Computed tomography, abdomen · axial view · abdomen soft-tissue window
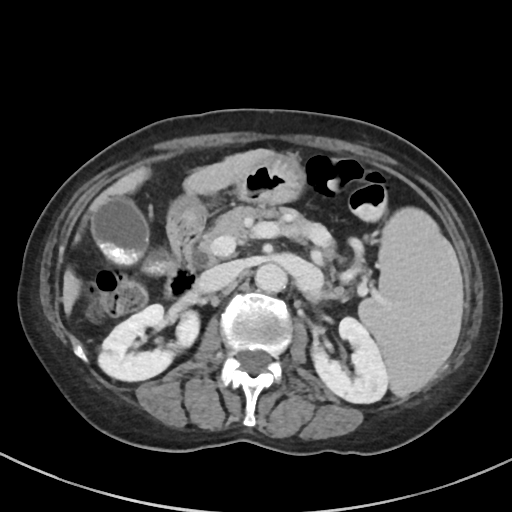
{"organs":{"spleen":[358,208,461,397],"right kidney":[98,304,199,380],"left kidney":[312,317,389,403],"gall bladder":[91,197,170,275],"liver":[61,148,275,314],"stomach":[167,155,305,228],"aorta":[255,263,286,292],"inferior vena cava":[197,262,241,292],"pancreas":[199,205,333,301],"duodenum":[165,225,202,299]}}